CT abdomen · axial view · abdomen soft-tissue window
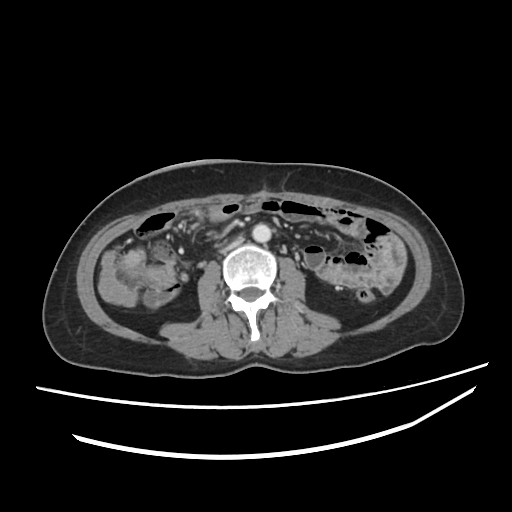 Boxes: x1:y1:x2:y2 in pixels.
aorta: 252:223:271:242
inferior vena cava: 220:237:243:253